Computed tomography, abdomen · Axial slice 54/116
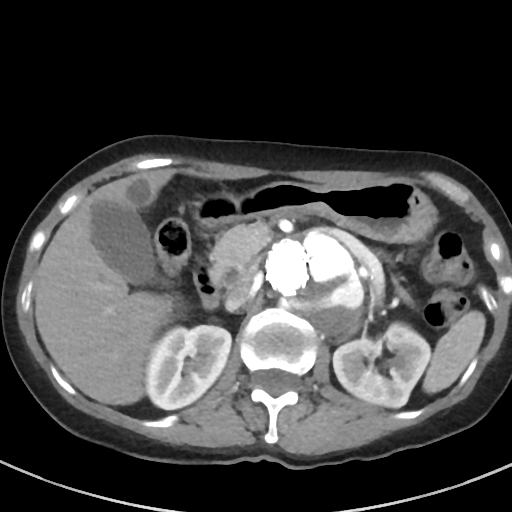 <organs><organ name="stomach" x1="194" y1="180" x2="437" y2="242"/><organ name="left kidney" x1="333" y1="323" x2="430" y2="407"/><organ name="gall bladder" x1="91" y1="201" x2="157" y2="284"/><organ name="liver" x1="34" y1="169" x2="173" y2="405"/><organ name="inferior vena cava" x1="226" y1="270" x2="252" y2="310"/><organ name="spleen" x1="423" y1="311" x2="485" y2="393"/><organ name="pancreas" x1="211" y1="224" x2="409" y2="300"/><organ name="right kidney" x1="145" y1="325" x2="231" y2="409"/><organ name="duodenum" x1="193" y1="261" x2="223" y2="308"/><organ name="aorta" x1="264" y1="233" x2="364" y2="336"/></organs>